CT abdomen · axial view · soft-tissue window (W 400 / L 40) · 512x512 px · scan has 15 labeled organs (a whole-scan count: organs this slice does not pass through have no box)
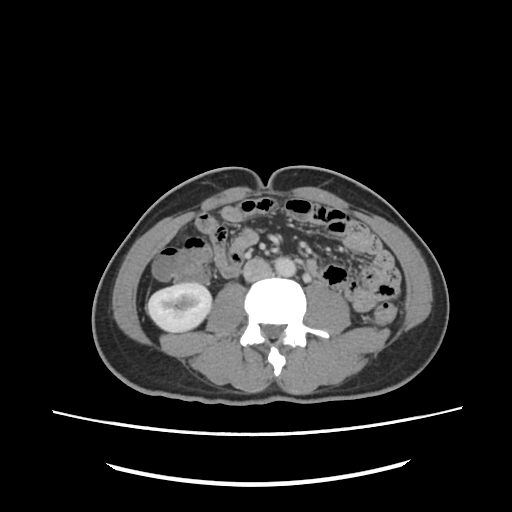
Bounding boxes as [x1, y1, x2, y2] in pixel coordinates.
Organ bounding boxes:
- aorta: [275, 257, 295, 276]
- right kidney: [148, 283, 211, 332]
- inferior vena cava: [243, 258, 272, 281]